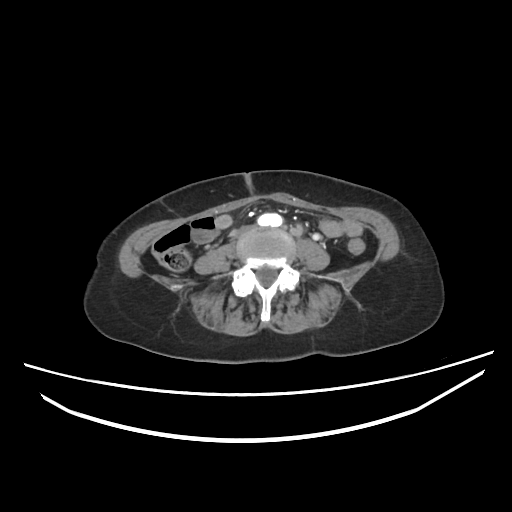
CT, abdomen/pelvis · Axial slice 46/122
Boxes: x1 y1 x2 y2 (pixel coords, space-separated).
Organ bounding boxes:
- aorta: 258 213 282 227
- inferior vena cava: 236 226 255 235